CT of the abdomen extending into the chest, slice through the chest. Axial slice 63/90
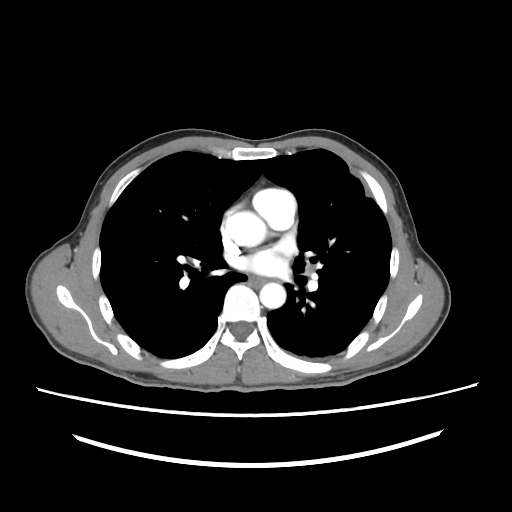
At this level of the chest no structure but the esophagus and the aorta has a label in this dataset, and those two are boxed only where they are labeled.
{"organs":{"esophagus":[249,273,266,286],"aorta":[[227,212,265,247],[260,282,284,308]]}}